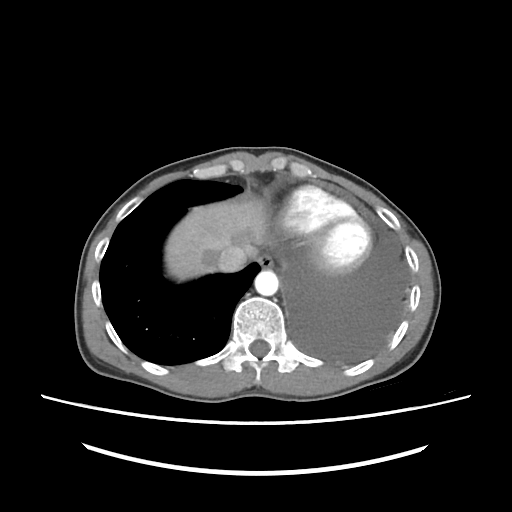 Abdominal CT; Axial slice 79/88; W/L 400/40 HU; 46-year-old male patient; Aquilion ONE scanner
Boxes: x1:y1:x2:y2 in pixels.
Organ bounding boxes:
- esophagus: 258:253:273:268
- liver: 165:199:267:280
- aorta: 254:270:278:296
- inferior vena cava: 217:245:247:271